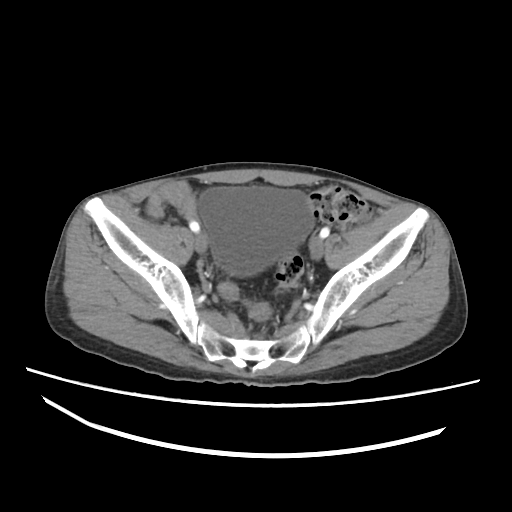 Computed tomography, abdomen; Axial slice 34/140; abdomen soft-tissue window
Each box given as x1,y1,x2,y2.
bladder: x1=198, y1=186, x2=313, y2=275